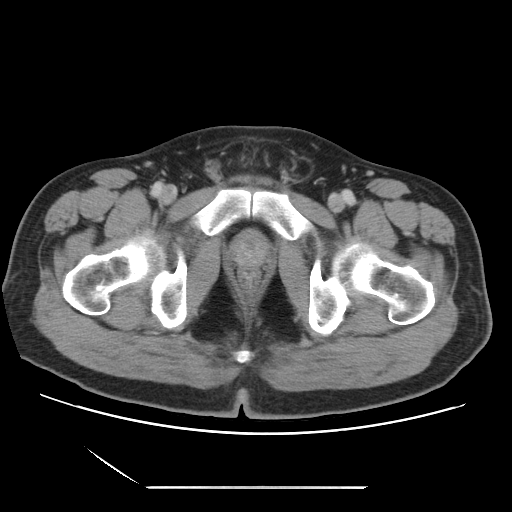 CT abdomen; axial plane, index 11
Boxes: x1:y1:x2:y2 in pixels. The annotated organs in this slice are: prostate/uterus at 229:230:268:268.